Computed tomography, abdomen. axial plane, index 47. scan has 15 labeled organs (counted over the whole 3D scan, not this slice; an organ is boxed only where this slice passes through it)
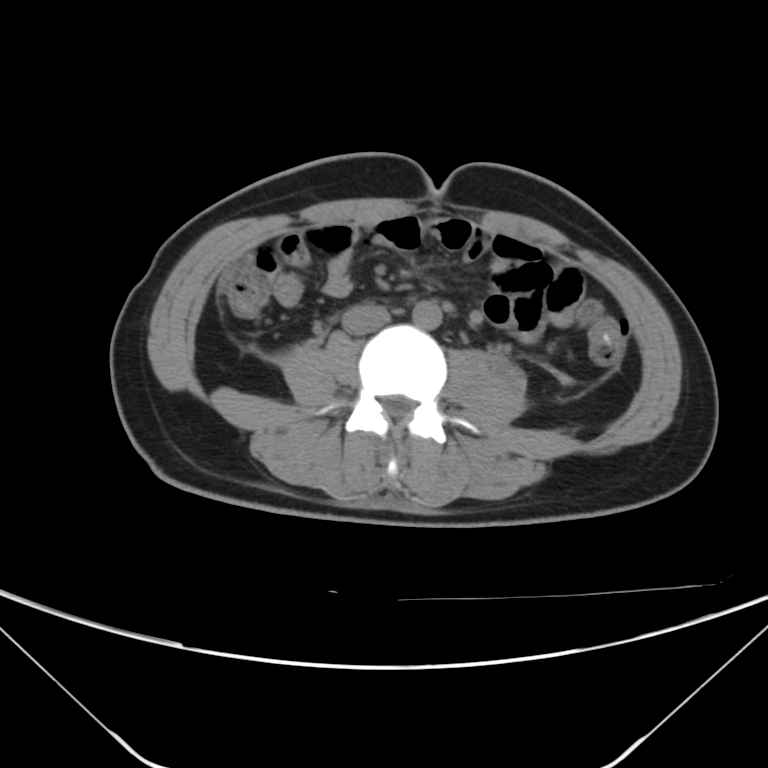 {"organs":{"aorta":[412,299,442,329],"inferior vena cava":[342,303,390,334]}}